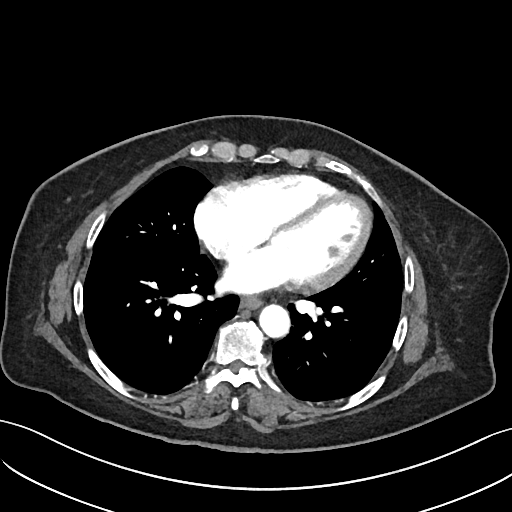

CT of the abdomen reaching into the lower chest, slice just above the liver and spleen · axial view · soft-tissue window (W 400 / L 40) · 512x512 px
Of the structures in the chest, this dataset labels only the esophagus, the aorta and the inferior vena cava; the heart and lungs have no label.
Each box given as x1,y1,x2,y2.
Organ bounding boxes:
- aorta: x1=259, y1=305, x2=289, y2=337
- esophagus: x1=240, y1=298, x2=260, y2=309